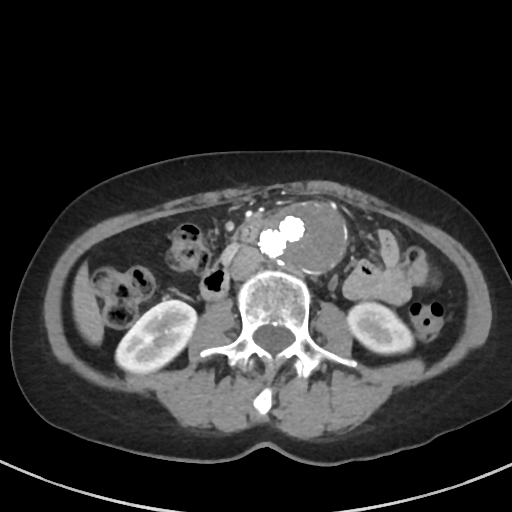 CT, abdomen/pelvis — Axial slice 43/116
Boxes are (x1, y1, x2, y2) in pixels.
inferior vena cava: (231, 247, 261, 280)
duodenum: (200, 224, 258, 300)
left kidney: (347, 302, 413, 353)
right kidney: (116, 300, 196, 373)
aorta: (259, 202, 344, 269)
liver: (72, 264, 103, 344)
pancreas: (223, 245, 236, 257)